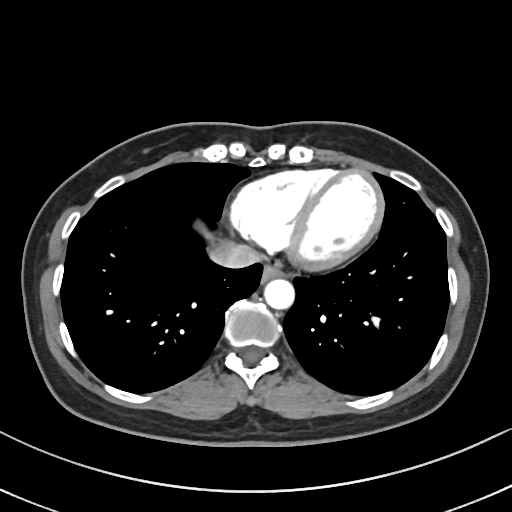 Lower-chest slice from an abdominal CT, just above the liver and spleen · Axial slice 220/242 · soft-tissue window, W/L 400/40 · 512x512 px
Of the structures in the chest, this dataset labels only the esophagus, the aorta and the inferior vena cava; the heart and lungs have no label.
Organ boxes in pixel coordinates; each row gives the top-left (x1, y1) and bottom-right (x2, y2) corners.
| organ | x1 | y1 | x2 | y2 |
|---|---|---|---|---|
| esophagus | 262 | 263 | 284 | 279 |
| aorta | 264 | 278 | 294 | 308 |
| inferior vena cava | 210 | 242 | 260 | 269 |